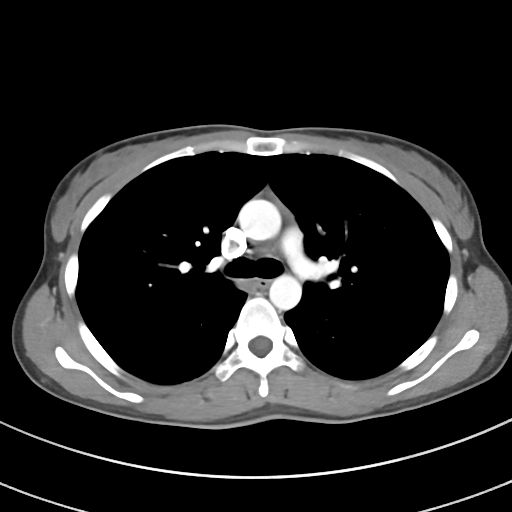

Chest-level CT slice, above the liver and spleen; axial view; scan has 15 labeled organs (a whole-scan count: organs this slice does not pass through have no box)
At this level of the chest this dataset labels only the esophagus and the aorta, and each is boxed only where it is labeled; the heart and lungs are never labeled.
Boxes are (x1, y1, x2, y2) in pixels.
esophagus: (250, 278, 268, 289)
aorta: (238, 199, 281, 240)
aorta: (269, 274, 301, 310)